Abdominal CT — axial view — soft-tissue window (W 400 / L 40) — 512x512 px — SOMATOM Force scanner — 15 organs annotated in this scan (a whole-scan count: organs this slice does not pass through have no box)
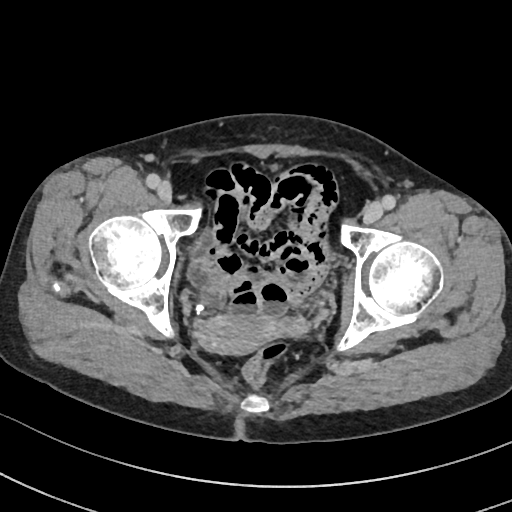
{"organs":{"prostate/uterus":[199,315,287,354]}}